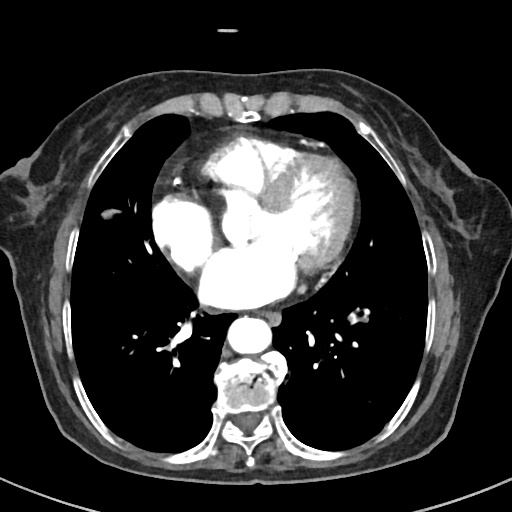 Lower-chest slice from an abdominal CT, just above the liver and spleen · axial view · soft-tissue window, W/L 400/40
No part of the heart or lungs is labeled in this dataset, so neither has a box here. Coordinates as <box>x1,y1,x2,y2</box> in pixels. 2 labeled organs on this slice — aorta at <box>226,317,270,354</box>; esophagus at <box>259,311,281,324</box>.